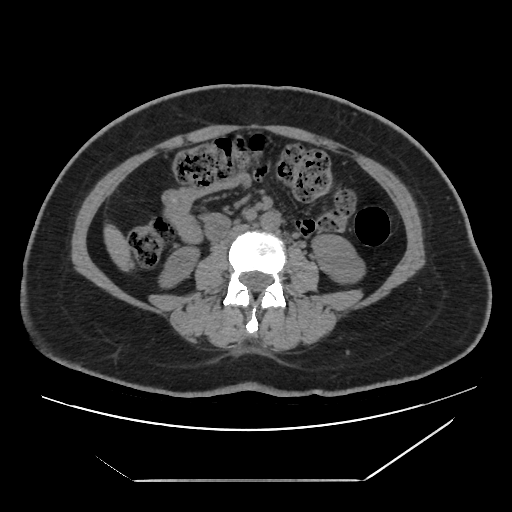

Computed tomography, abdomen; axial plane, index 173; 512x512 px
{"organs":{"left kidney":[311,234,366,284],"aorta":[261,211,280,231],"liver":[103,222,135,273],"right kidney":[157,246,200,289],"inferior vena cava":[223,224,249,242]}}